Abdominal CT. axial view. abdomen soft-tissue window. 512x512 px
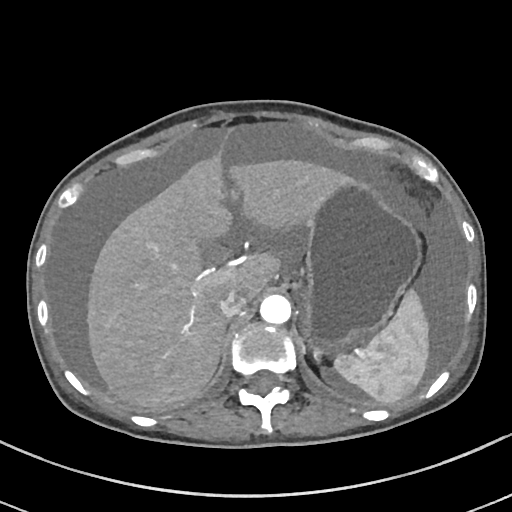 <organs><organ name="spleen" x1="334" y1="289" x2="428" y2="403"/><organ name="liver" x1="87" y1="159" x2="349" y2="408"/><organ name="stomach" x1="303" y1="180" x2="419" y2="352"/><organ name="aorta" x1="260" y1="294" x2="291" y2="324"/><organ name="inferior vena cava" x1="218" y1="289" x2="247" y2="317"/></organs>